Abdominal CT — axial view — soft-tissue window — SOMATOM Force scanner
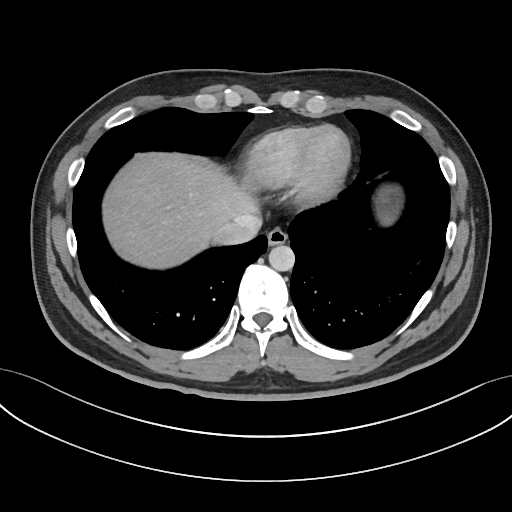
Boxes: x1 y1 x2 y2 (pixel coords, space-separated).
liver: 103 160 258 268
aorta: 268 245 295 271
esophagus: 267 227 287 245
inferior vena cava: 212 214 261 244